Computed tomography, abdomen — axial plane, index 49 — abdomen soft-tissue window — 66-year-old male patient
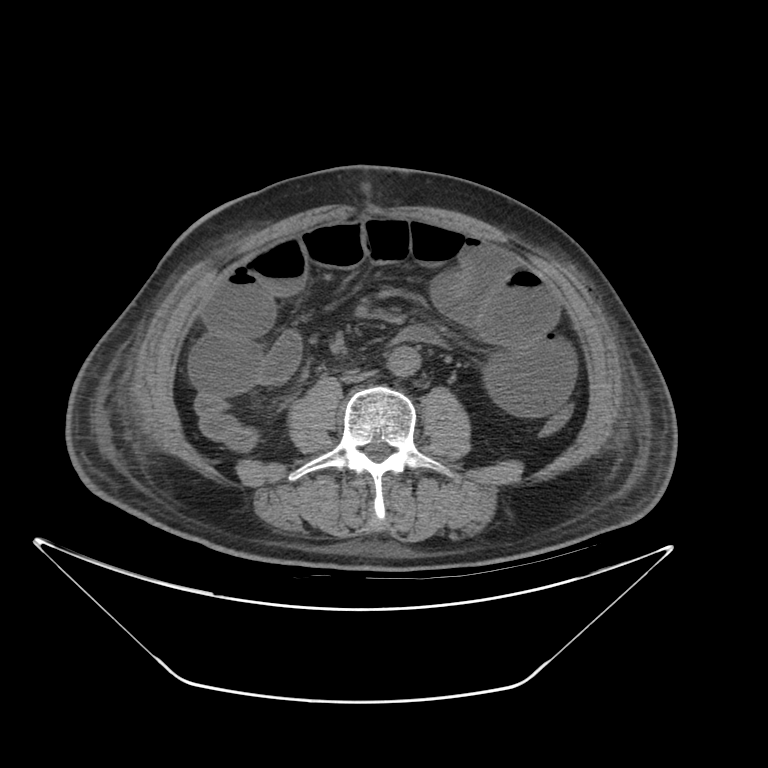
Bounding boxes as [x1, y1, x2, y2] in pixel coordinates. The annotated organs in this slice are: aorta at [388, 346, 421, 375], inferior vena cava at [340, 367, 381, 383].